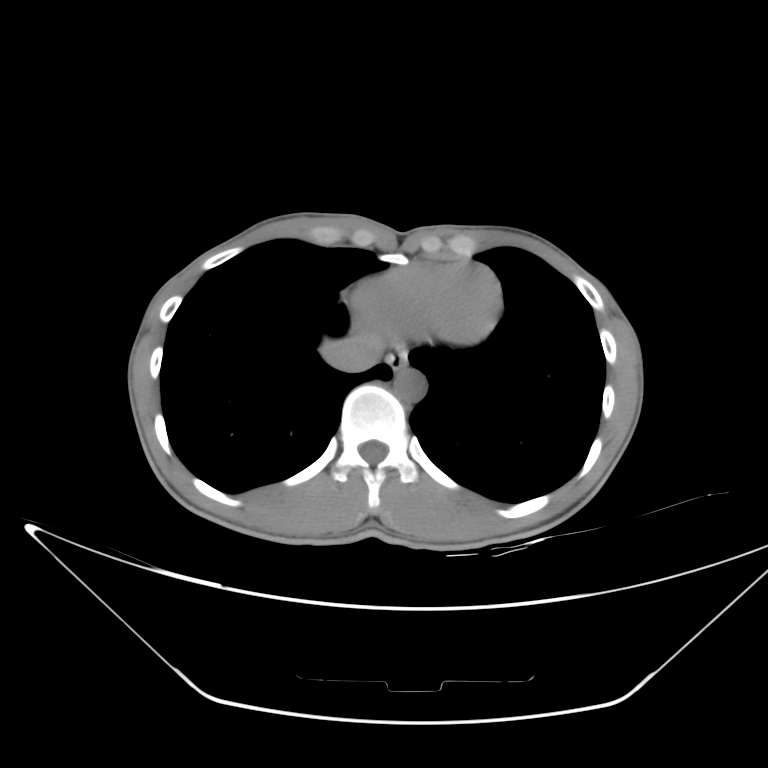
CT of the abdomen reaching into the lower chest, slice just above the liver and spleen · axial view · 39-year-old male patient
No part of the heart or lungs is labeled in this dataset, so neither has a box here.
Each box given as x1,y1,x2,y2.
Organ bounding boxes:
- inferior vena cava: x1=321, y1=331, x2=384, y2=371
- esophagus: x1=387, y1=352, x2=408, y2=373
- aorta: x1=393, y1=368, x2=426, y2=402